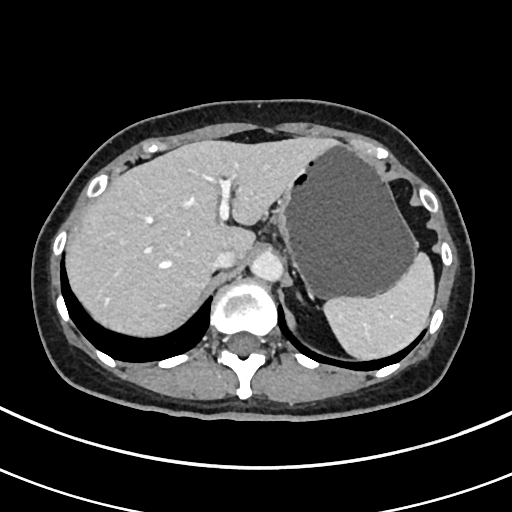

Abdominal CT · Axial slice 161/192
{"organs":{"liver":[66,137,333,336],"aorta":[251,251,283,282],"left adrenal gland":[298,294,302,300],"spleen":[323,252,434,359],"inferior vena cava":[210,249,236,270],"stomach":[274,143,418,298]}}